Computed tomography, abdomen. axial view. abdomen soft-tissue window. 55-year-old male patient
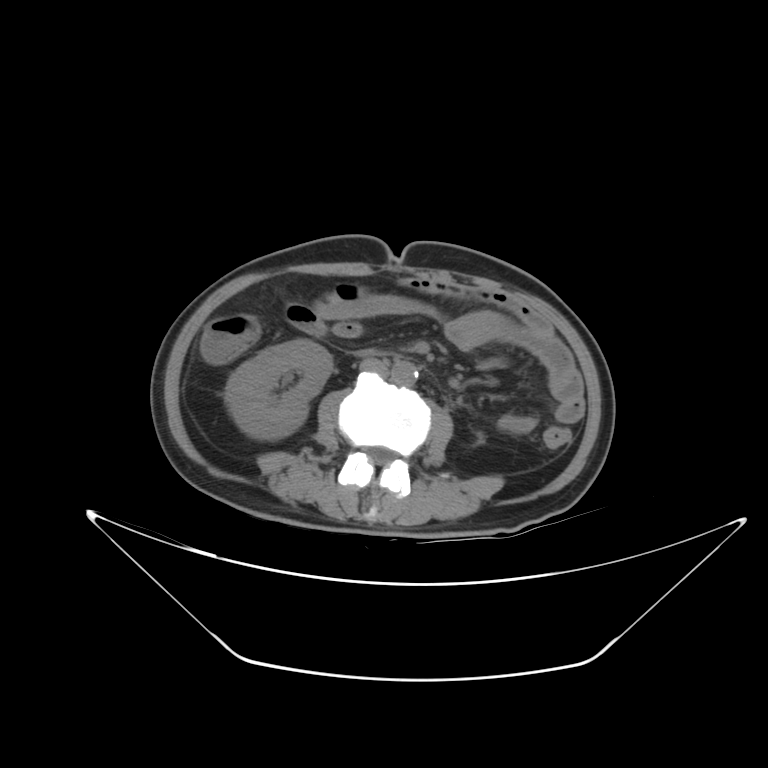

Box edges are left/top/right/bottom in pixels.
right kidney: left=225, top=339, right=332, bottom=439
aorta: left=391, top=361, right=418, bottom=386
inferior vena cava: left=360, top=359, right=388, bottom=377
duodenum: left=356, top=349, right=381, bottom=355